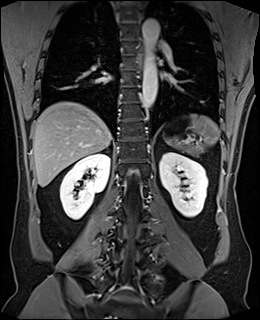 Magnetic resonance imaging, abdomen. Coronal slice 48/144. percentile-normalized. 260x320 px
Coordinates as <box>x1,y1,x2,y2</box> in pixels. 7 labeled organs on this slice — spleen at <box>165,114,218,152</box>; right kidney at <box>60,153,110,219</box>; left kidney at <box>159,152,207,217</box>; esophagus at <box>137,51,142,69</box>; liver at <box>33,102,111,186</box>; aorta at <box>142,18,159,109</box>; pancreas at <box>183,151,195,153</box>.